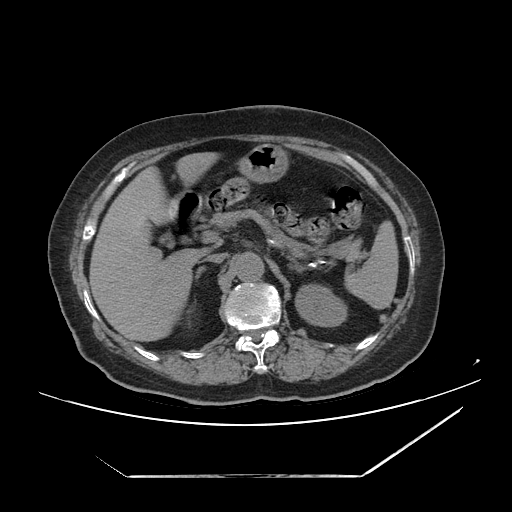 CT abdomen. axial view. soft-tissue window. 512x512 px. acquired on SOMATOM Force
Organ boxes in pixel coordinates; each row gives the top-left (x1, y1) and bottom-right (x2, y2) corners.
| organ | x1 | y1 | x2 | y2 |
|---|---|---|---|---|
| stomach | 240 | 144 | 288 | 183 |
| aorta | 233 | 253 | 265 | 281 |
| spleen | 343 | 222 | 398 | 309 |
| left kidney | 296 | 287 | 345 | 326 |
| right adrenal gland | 194 | 267 | 208 | 285 |
| liver | 88 | 151 | 218 | 343 |
| pancreas | 212 | 209 | 361 | 260 |
| duodenum | 179 | 193 | 199 | 211 |
| left adrenal gland | 291 | 258 | 302 | 273 |
| inferior vena cava | 205 | 254 | 225 | 263 |